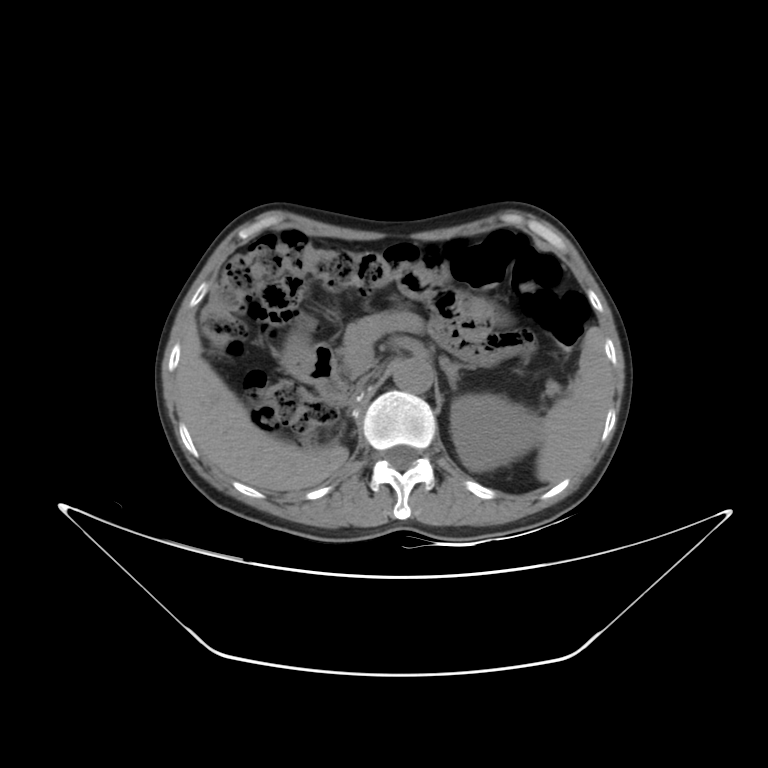
Computed tomography, abdomen. Axial slice 74/100. abdomen soft-tissue window. Brilliance16 scanner
Each box given as x1,y1,x2,y2. The annotated organs in this slice are: spleen at x1=536, y1=327, x2=613, y2=482, left kidney at x1=450, y1=394, x2=540, y2=471, liver at x1=175, y1=322, x2=348, y2=491, stomach at x1=282, y1=328, x2=311, y2=379, aorta at x1=392, y1=357, x2=433, y2=393, inferior vena cava at x1=354, y1=379, x2=365, y2=393, pancreas at x1=339, y1=310, x2=423, y2=378, left adrenal gland at x1=439, y1=356, x2=464, y2=389, duodenum at x1=305, y1=343, x2=348, y2=407.